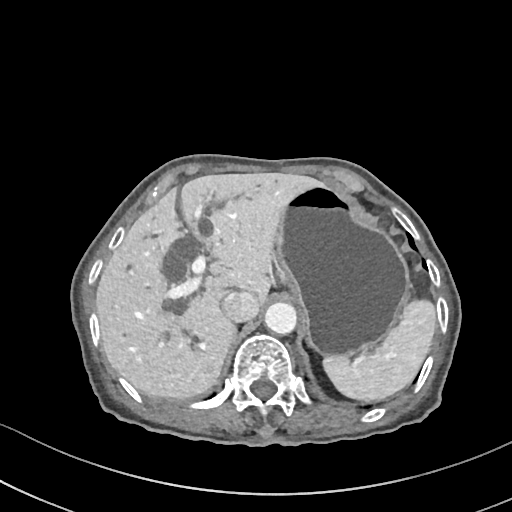
Abdominal CT. axial view. abdomen soft-tissue window
Box edges are left/top/right/bottom in pixels. 5 labeled organs on this slice — spleen at left=324, top=301, right=436, bottom=402; liver at left=96, top=173, right=320, bottom=399; stomach at left=272, top=182, right=411, bottom=356; aorta at left=265, top=302, right=297, bottom=334; inferior vena cava at left=221, top=291, right=258, bottom=322.